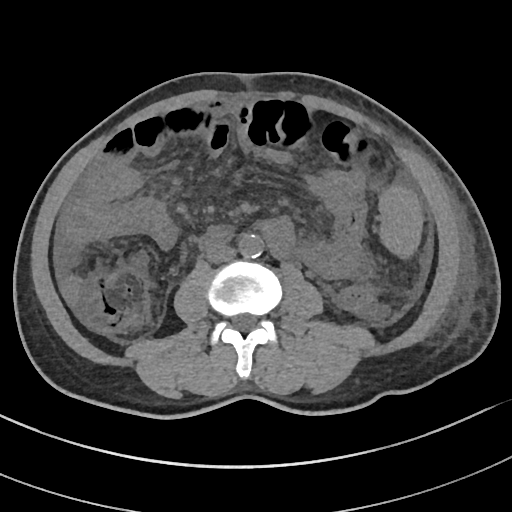
Computed tomography, abdomen. axial view. W/L 400/40 HU. 512x512 px. 15 organs annotated in this scan (counted over the whole 3D scan, not this slice; an organ is boxed only where this slice passes through it)
<organs><organ name="spleen" x1="380" y1="188" x2="421" y2="254"/><organ name="aorta" x1="238" y1="233" x2="263" y2="258"/><organ name="inferior vena cava" x1="206" y1="244" x2="235" y2="263"/><organ name="duodenum" x1="199" y1="229" x2="228" y2="249"/></organs>